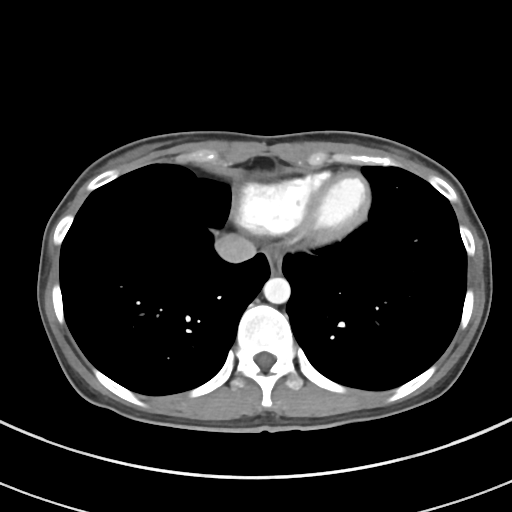

CT of the abdomen reaching into the lower chest, slice just above the liver and spleen — axial view — acquired on SOMATOM Force — scan has 15 labeled organs (a whole-scan count: organs this slice does not pass through have no box)
No part of the heart or lungs is labeled in this dataset, so neither has a box here.
<organs><organ name="esophagus" x1="265" y1="245" x2="282" y2="273"/><organ name="aorta" x1="263" y1="277" x2="290" y2="303"/><organ name="inferior vena cava" x1="214" y1="233" x2="256" y2="263"/></organs>